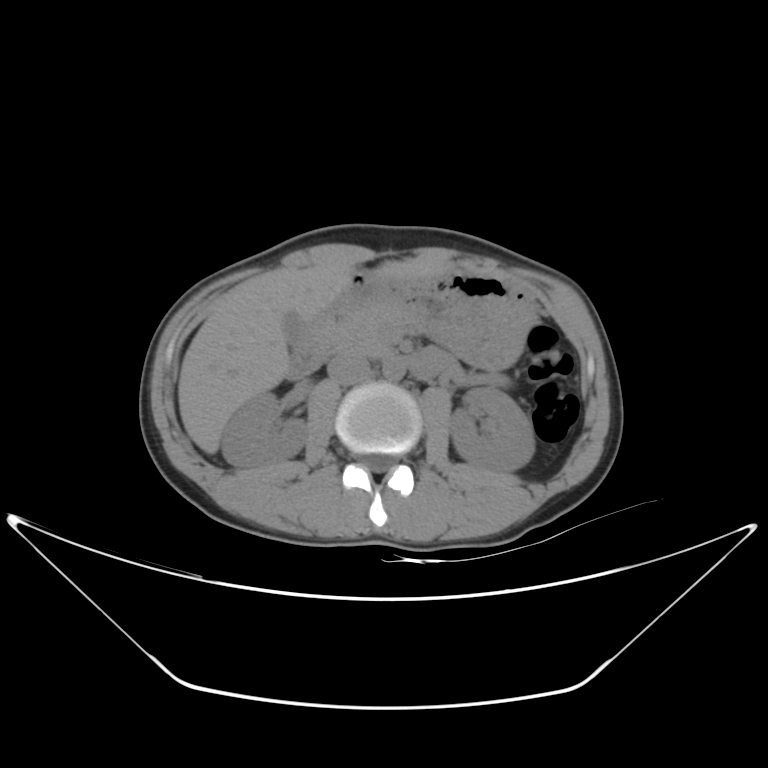
CT, abdomen/pelvis; axial view; abdomen soft-tissue window; 30-year-old male patient
<organs><organ name="left kidney" x1="449" y1="387" x2="534" y2="472"/><organ name="pancreas" x1="321" y1="305" x2="413" y2="353"/><organ name="liver" x1="177" y1="260" x2="445" y2="453"/><organ name="right kidney" x1="221" y1="392" x2="307" y2="469"/><organ name="duodenum" x1="287" y1="293" x2="446" y2="380"/><organ name="gall bladder" x1="283" y1="311" x2="304" y2="342"/><organ name="inferior vena cava" x1="326" y1="354" x2="370" y2="384"/><organ name="stomach" x1="345" y1="270" x2="536" y2="369"/><organ name="aorta" x1="383" y1="357" x2="406" y2="380"/></organs>